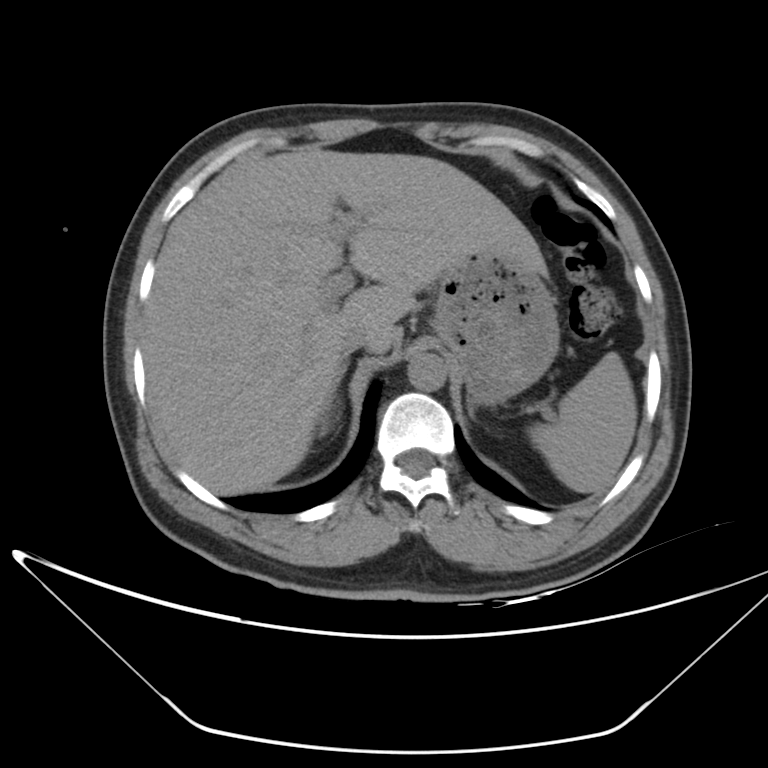
CT abdomen; axial view; 768x768 px; 42-year-old male patient; Brilliance16 scanner
Boxes: x1:y1:x2:y2 in pixels.
Organ bounding boxes:
- spleen: 528:351:637:493
- liver: 142:148:546:494
- stomach: 431:251:559:405
- aorta: 408:353:447:390
- inferior vena cava: 340:322:373:353
- right adrenal gland: 320:359:349:435